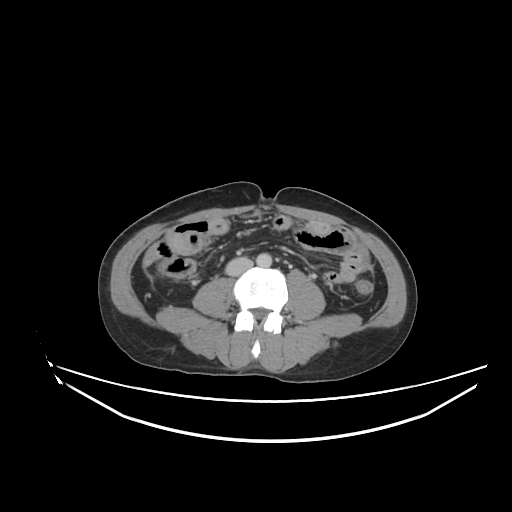 Computed tomography, abdomen; axial plane, index 48; W/L 400/40 HU; 512x512 px
Organ boxes in pixel coordinates; each row gives the top-left (x1, y1) and bottom-right (x2, y2) corners.
| organ | x1 | y1 | x2 | y2 |
|---|---|---|---|---|
| aorta | 256 | 253 | 272 | 267 |
| inferior vena cava | 225 | 257 | 253 | 276 |